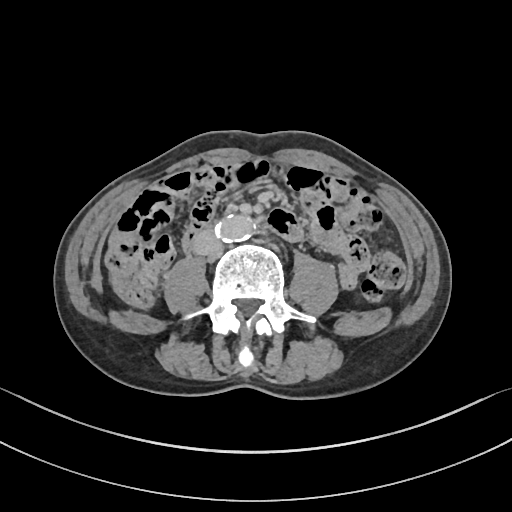 CT, abdomen/pelvis · axial view · soft-tissue window · SOMATOM Force scanner
<organs><organ name="aorta" x1="213" y1="215" x2="250" y2="242"/><organ name="inferior vena cava" x1="193" y1="230" x2="221" y2="255"/></organs>